CT abdomen · axial view · W/L 400/40 HU
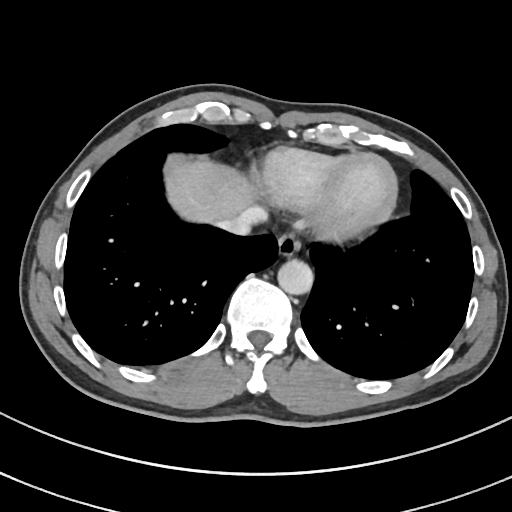 Coordinates as <box>x1,y1,x2,y2</box> in pixels.
aorta: <box>278,261,313,295</box>
liver: <box>166,162,253,222</box>
inferior vena cava: <box>219,208,265,235</box>
esophagus: <box>276,235,299,258</box>